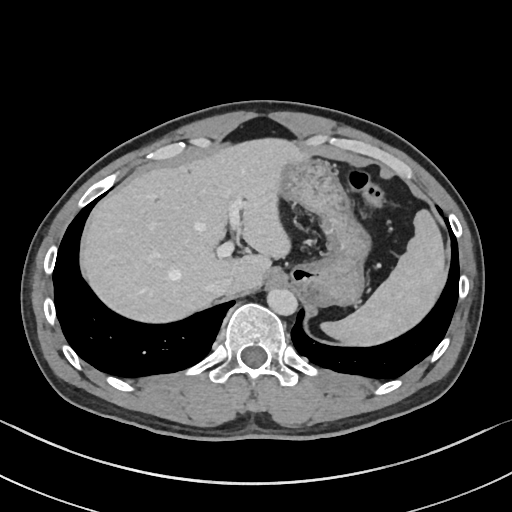
CT, abdomen/pelvis. axial view. W/L 400/40 HU. 512x512 px
<organs><organ name="spleen" x1="319" y1="208" x2="448" y2="347"/><organ name="liver" x1="78" y1="136" x2="298" y2="324"/><organ name="stomach" x1="278" y1="156" x2="371" y2="307"/><organ name="aorta" x1="266" y1="288" x2="297" y2="314"/><organ name="inferior vena cava" x1="208" y1="277" x2="232" y2="295"/></organs>